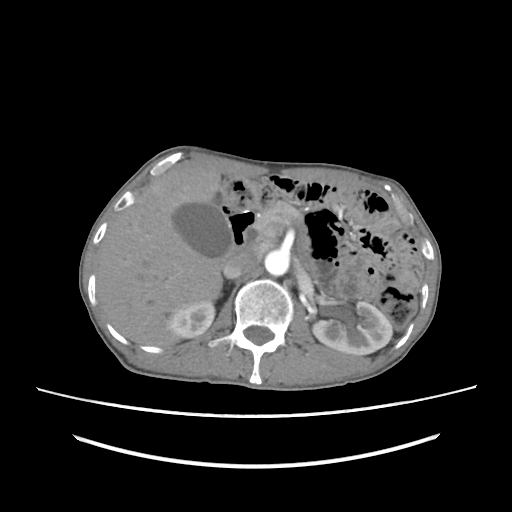
CT, abdomen/pelvis · axial plane, index 62 · soft-tissue window (W 400 / L 40) · scan has 15 labeled organs (a whole-scan count: organs this slice does not pass through have no box)
Organ boxes in pixel coordinates; each row gives the top-left (x1, y1) and bottom-right (x2, y2) corners.
| organ | x1 | y1 | x2 | y2 |
|---|---|---|---|---|
| right kidney | 167 | 301 | 214 | 338 |
| left kidney | 312 | 301 | 392 | 354 |
| liver | 97 | 168 | 237 | 346 |
| pancreas | 253 | 202 | 303 | 241 |
| gall bladder | 173 | 204 | 229 | 257 |
| duodenum | 222 | 205 | 255 | 256 |
| aorta | 264 | 250 | 289 | 275 |
| inferior vena cava | 223 | 247 | 259 | 278 |